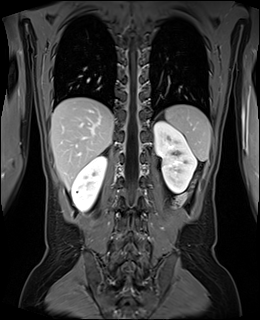 Abdominal MRI · coronal view · 1st–99th percentile window · 13 organs annotated in this scan (a whole-scan count: organs this slice does not pass through have no box)
<organs><organ name="spleen" x1="165" y1="105" x2="210" y2="161"/><organ name="left kidney" x1="154" y1="121" x2="196" y2="192"/><organ name="liver" x1="50" y1="97" x2="114" y2="189"/><organ name="right kidney" x1="71" y1="156" x2="106" y2="211"/></organs>